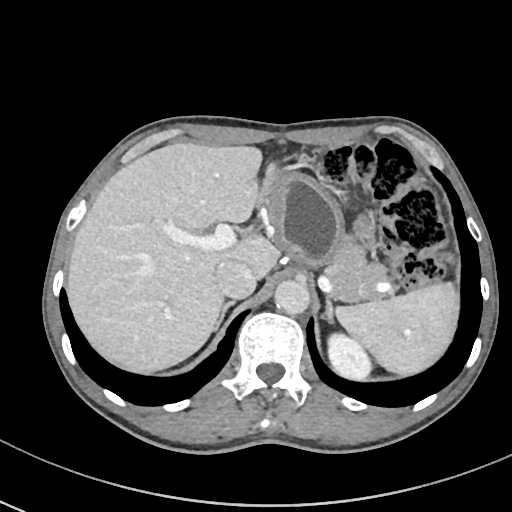

Abdominal CT · axial view · 512x512 px · acquired on SOMATOM Force
<organs><organ name="spleen" x1="336" y1="283" x2="459" y2="377"/><organ name="left kidney" x1="325" y1="333" x2="372" y2="382"/><organ name="liver" x1="66" y1="143" x2="277" y2="374"/><organ name="stomach" x1="256" y1="172" x2="346" y2="268"/><organ name="aorta" x1="273" y1="279" x2="309" y2="314"/><organ name="inferior vena cava" x1="215" y1="259" x2="256" y2="299"/><organ name="pancreas" x1="327" y1="231" x2="386" y2="302"/><organ name="right adrenal gland" x1="213" y1="301" x2="235" y2="332"/><organ name="left adrenal gland" x1="323" y1="295" x2="333" y2="319"/></organs>